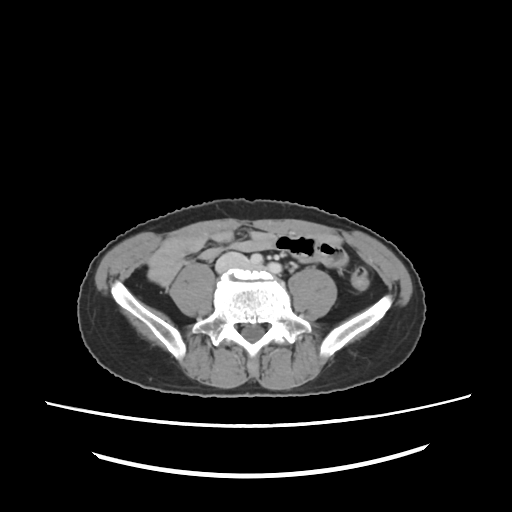

CT abdomen. axial view. 512x512 px. Aquilion ONE scanner
Boxes: x1 y1 x2 y2 (pixel coords, space-separated).
Organ bounding boxes:
- inferior vena cava: 211 251 250 273